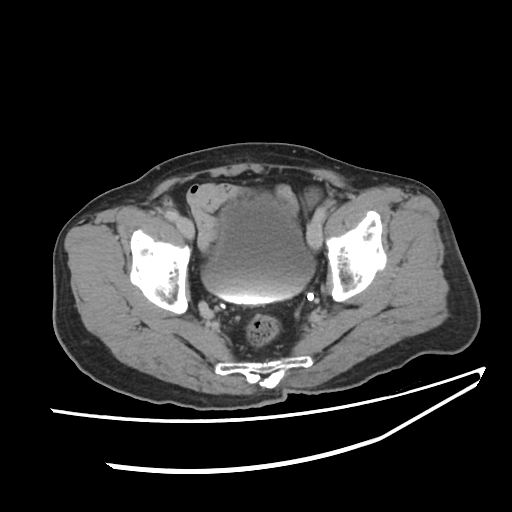 Computed tomography, abdomen. Axial slice 26/91. 15 organs annotated in this scan (that count is for the whole scan; organs this slice misses have no box)
Box edges are left/top/right/bottom in pixels.
Organ bounding boxes:
- bladder: left=200, top=192, right=315, bottom=303